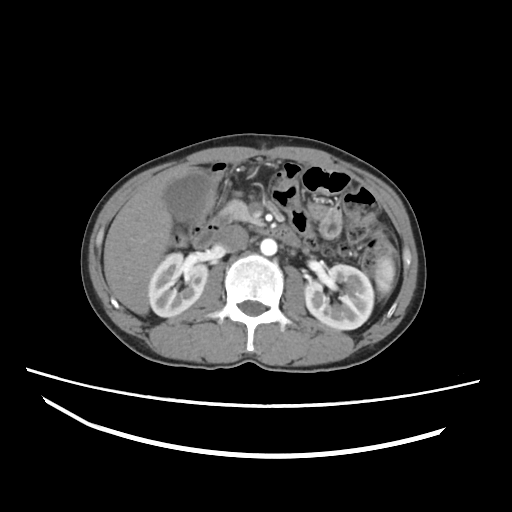

CT, abdomen/pelvis. Axial slice 70/140. abdomen soft-tissue window
Bounding boxes in pixels, one row per box: x1, y1 is the top-left corner and x2, y2 the bottom-right.
| organ | x1 | y1 | x2 | y2 |
|---|---|---|---|---|
| spleen | 375 | 256 | 394 | 295 |
| right kidney | 148 | 252 | 207 | 317 |
| left kidney | 305 | 264 | 373 | 329 |
| gall bladder | 164 | 171 | 210 | 220 |
| liver | 103 | 165 | 197 | 315 |
| aorta | 260 | 238 | 277 | 255 |
| inferior vena cava | 217 | 225 | 248 | 252 |
| pancreas | 216 | 200 | 260 | 225 |
| duodenum | 192 | 218 | 300 | 248 |